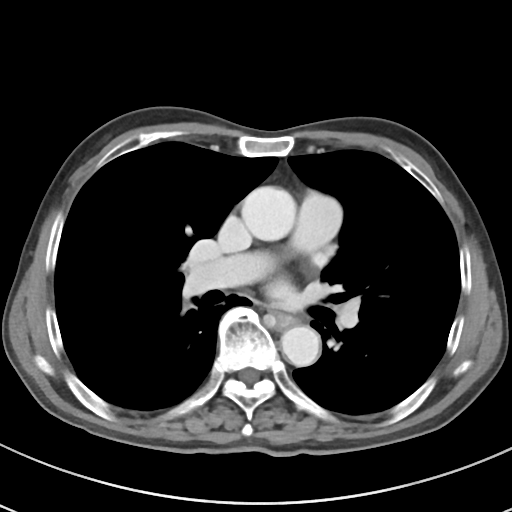

Chest-level CT slice, above the liver and spleen; axial view; soft-tissue window; 512x512 px; 15 organs annotated in this scan (counted over the whole 3D scan, not this slice; an organ is boxed only where this slice passes through it)
At this level of the chest no structure but the esophagus and the aorta has a label in this dataset, and those two are boxed only where they are labeled.
Organ boxes in pixel coordinates; each row gives the top-left (x1, y1) and bottom-right (x2, y2) corners.
| organ | x1 | y1 | x2 | y2 |
|---|---|---|---|---|
| esophagus | 274 | 313 | 296 | 328 |
| aorta | 241 | 186 | 296 | 240 |
| aorta | 281 | 326 | 320 | 366 |